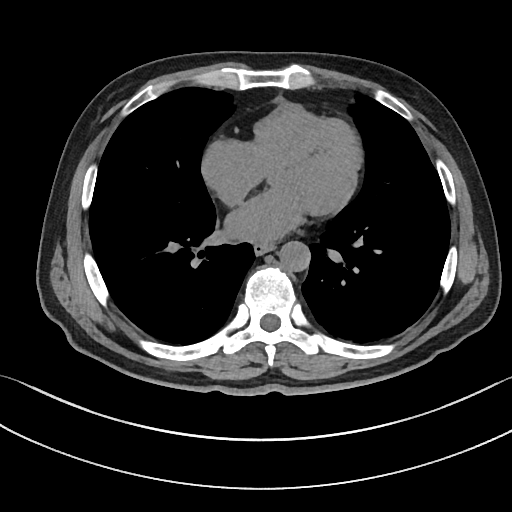

CT of the abdomen reaching into the lower chest, slice just above the liver and spleen. axial plane, index 229. 15 organs annotated in this scan (a whole-scan count: organs this slice does not pass through have no box)
No part of the heart or lungs is labeled in this dataset, so neither has a box here.
<organs><organ name="aorta" x1="278" y1="241" x2="310" y2="271"/><organ name="esophagus" x1="254" y1="243" x2="274" y2="254"/></organs>